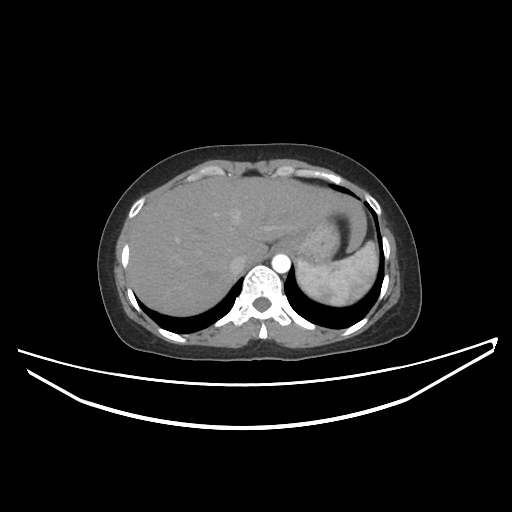
Computed tomography, abdomen; axial view; 512x512 px
{"organs":{"spleen":[297,241,378,306],"liver":[128,177,366,316],"stomach":[278,219,339,265],"aorta":[272,254,290,272],"inferior vena cava":[229,255,246,274]}}